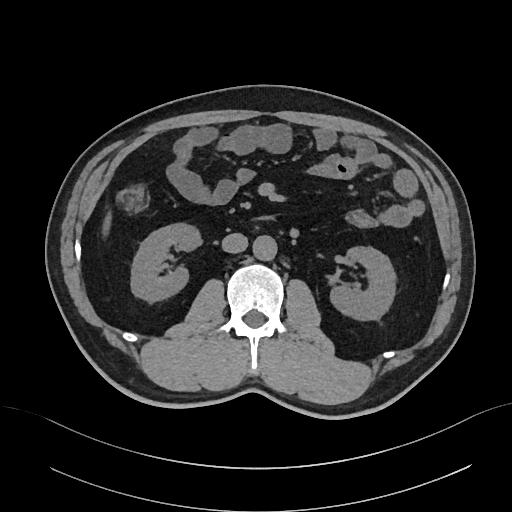
CT, abdomen/pelvis; Axial slice 156/265
Boxes are (x1, y1, x2, y2) in pixels.
aorta: (253, 236, 277, 260)
liver: (103, 209, 113, 232)
inferior vena cava: (221, 233, 248, 253)
right kidney: (131, 224, 199, 301)
duodenum: (254, 216, 273, 220)
left kidney: (330, 247, 396, 321)